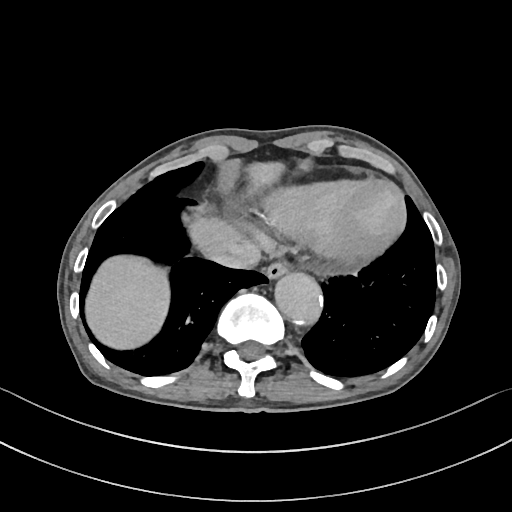

Computed tomography, abdomen. Axial slice 188/204. abdomen soft-tissue window. 512x512 px. scan has 15 labeled organs (that count is for the whole scan; organs this slice misses have no box)
<organs><organ name="esophagus" x1="265" y1="261" x2="287" y2="280"/><organ name="liver" x1="85" y1="162" x2="283" y2="348"/><organ name="aorta" x1="275" y1="273" x2="323" y2="324"/><organ name="inferior vena cava" x1="210" y1="242" x2="260" y2="269"/></organs>